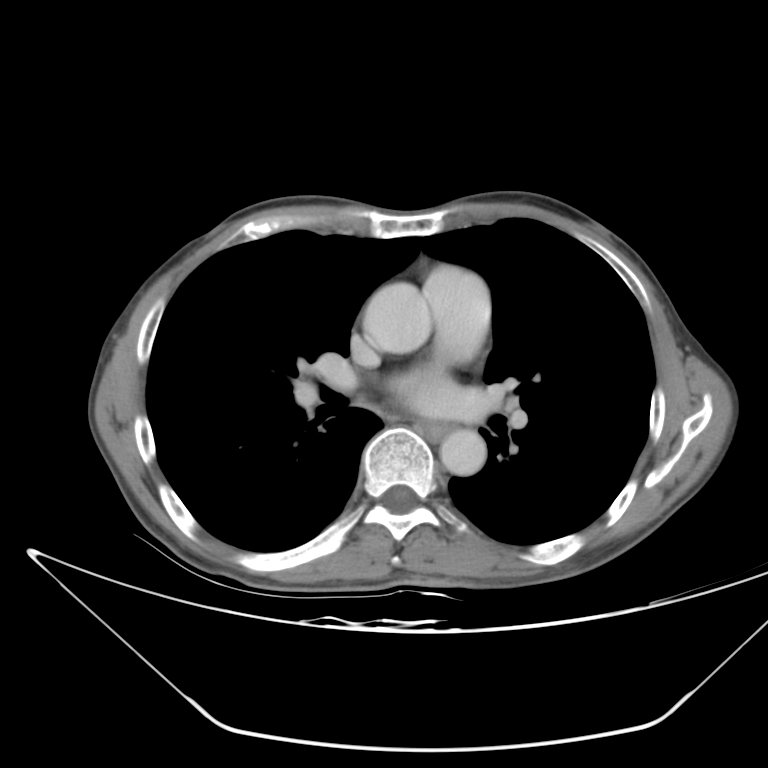
CT of the abdomen extending into the chest, slice through the chest · axial view
At this level of the chest this dataset labels only the esophagus and the aorta, and each is boxed only where it is labeled; the heart and lungs are never labeled.
<organs><organ name="esophagus" x1="417" y1="420" x2="452" y2="441"/><organ name="aorta" x1="362" y1="284" x2="429" y2="354"/><organ name="aorta" x1="441" y1="427" x2="489" y2="479"/></organs>